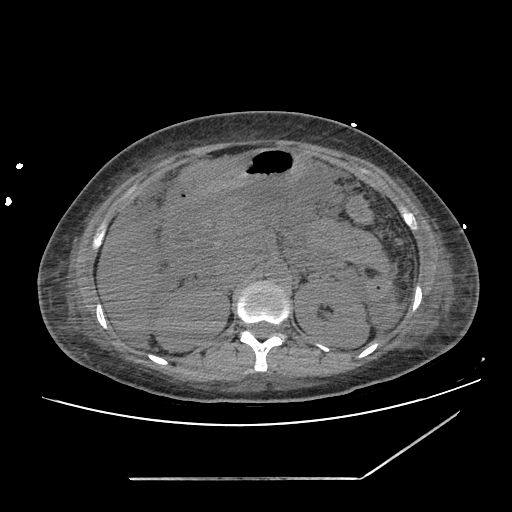
CT abdomen — axial view
Coordinates as <box>x1,y1,x2,y2</box> in pixels.
Organ bounding boxes:
- stomach: <box>181,149,303,201</box>
- liver: <box>97,217,153,349</box>
- left kidney: <box>295,280,366,347</box>
- aorta: <box>265,260,288,282</box>
- inferior vena cava: <box>216,255,252,287</box>
- pancreas: <box>213,196,250,245</box>
- duodenum: <box>163,179,212,269</box>
- spleen: <box>379,298,398,330</box>
- right kidney: <box>155,290,229,351</box>